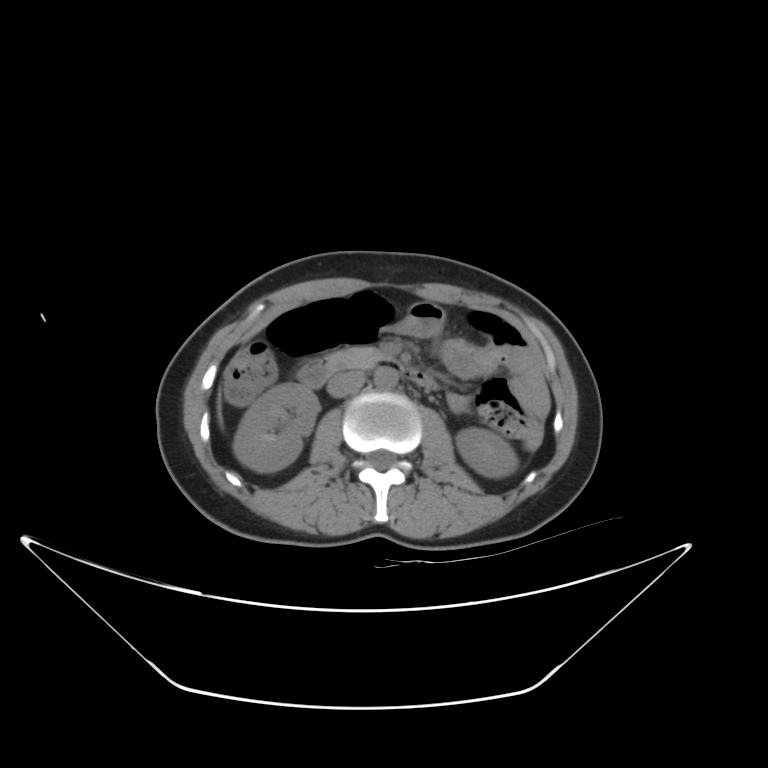 Computed tomography, abdomen; Axial slice 63/99; soft-tissue window; 43-year-old female patient; acquired on Brilliance16
Coordinates as <box>x1,y1,x2,y2</box> in pixels.
Organ bounding boxes:
- right kidney: <box>233,383,319,472</box>
- left kidney: <box>456,428,518,477</box>
- liver: <box>217,394,222,426</box>
- aorta: <box>374,366,398,389</box>
- inferior vena cava: <box>327,371,365,397</box>
- pancreas: <box>326,347,386,370</box>
- duodenum: <box>298,361,436,389</box>